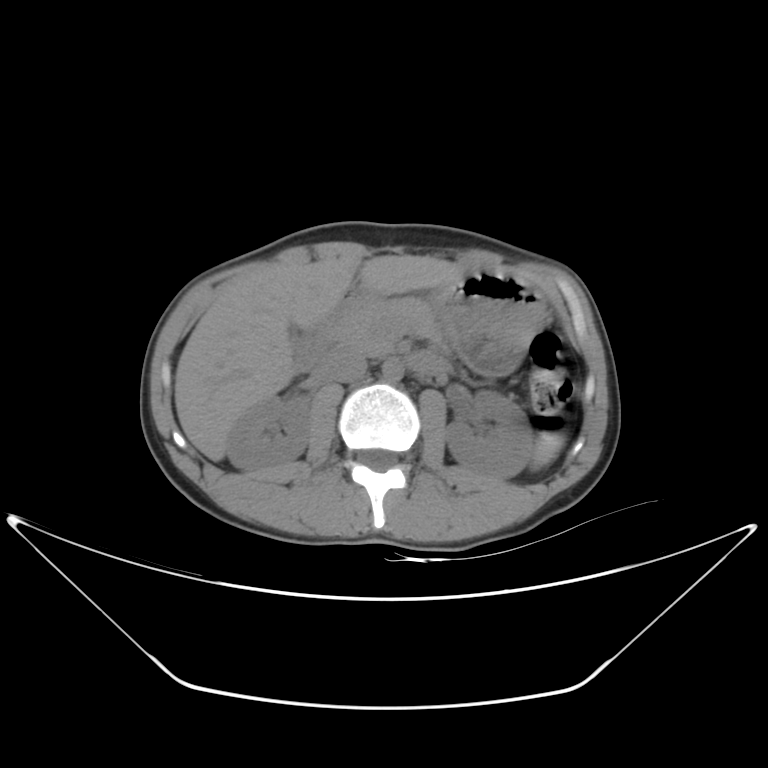
Abdominal CT. axial view. 768x768 px. Brilliance16 scanner
Boxes: x1:y1:x2:y2 in pixels. 10 labeled organs on this slice — spleen at 530:432:564:470; right kidney at 226:394:311:472; left kidney at 444:391:532:479; gall bladder at 288:325:301:341; liver at 174:255:465:460; stomach at 346:271:545:375; aorta at 381:359:404:382; inferior vena cava at 322:350:368:382; pancreas at 329:298:441:353; duodenum at 293:298:435:373.